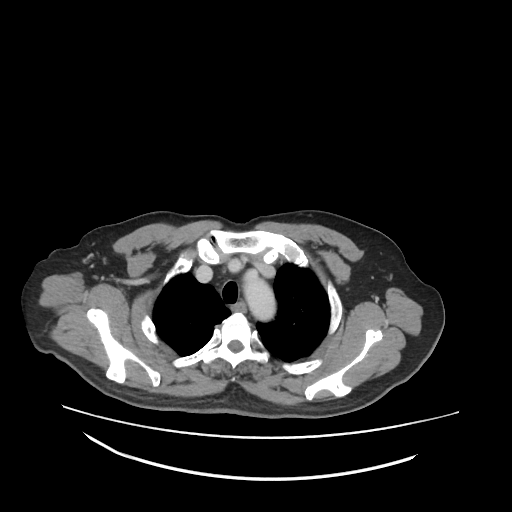

Chest-level slice from an abdominal CT that extends up into the chest; axial view; soft-tissue window, W/L 400/40; 512x512 px; 66-year-old male patient
On a slice this high in the chest, this dataset labels only the esophagus and the aorta, and each is boxed only where it is labeled; the heart, lungs and other chest structures are not labeled.
{"organs":{"esophagus":[232,301,246,311],"aorta":[244,279,272,319]}}